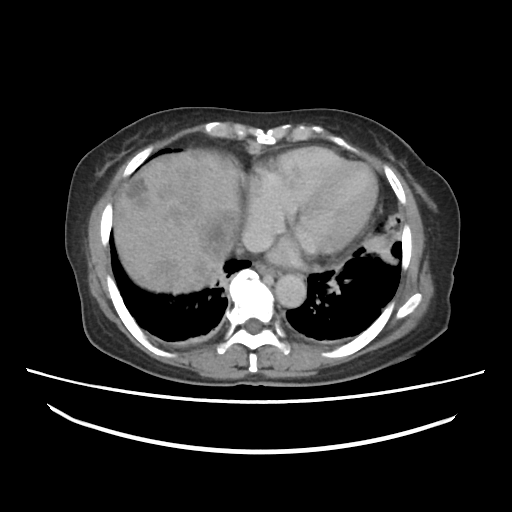
CT abdomen — axial plane, index 88 — soft-tissue window (W 400 / L 40) — 512x512 px — 71-year-old female patient
One row per box, in pixels: columns x1 and y1 give the top-left corner, x2 and y2 the bottom-right.
| organ | x1 | y1 | x2 | y2 |
|---|---|---|---|---|
| esophagus | 257 | 263 | 279 | 277 |
| liver | 113 | 150 | 390 | 295 |
| aorta | 276 | 275 | 305 | 306 |
| inferior vena cava | 241 | 223 | 273 | 253 |